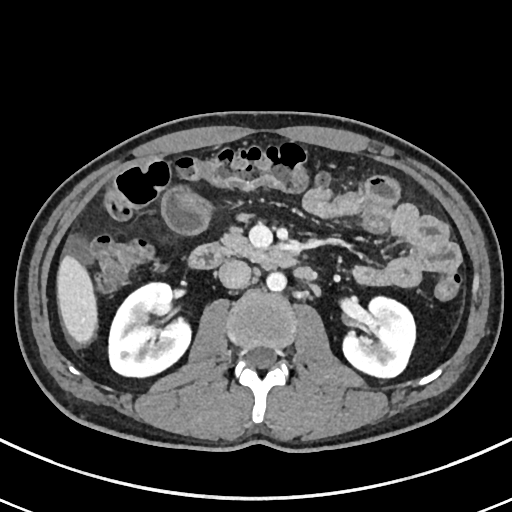 Computed tomography, abdomen; axial view; soft-tissue window; 512x512 px; SOMATOM Force scanner
{"organs":{"right kidney":[109,283,190,377],"aorta":[266,272,286,292],"liver":[56,255,98,343],"pancreas":[214,233,252,254],"left kidney":[343,295,415,378],"duodenum":[188,244,301,269],"inferior vena cava":[218,260,251,288]}}